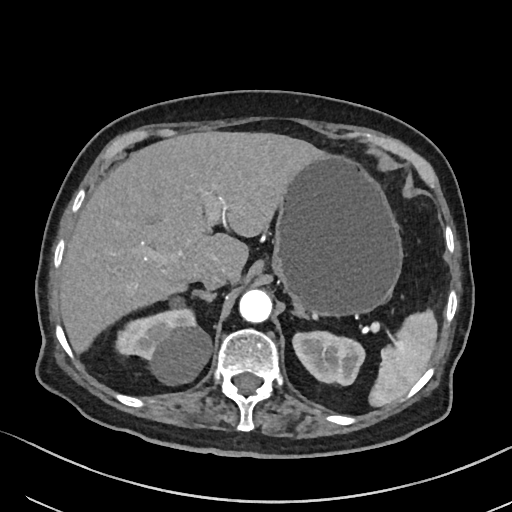
Abdominal CT; axial view; 512x512 px
One row per box, in pixels: columns x1 and y1 give the top-left corner, x2 and y2 the bottom-right.
| organ | x1 | y1 | x2 | y2 |
|---|---|---|---|---|
| spleen | 368 | 310 | 436 | 407 |
| right adrenal gland | 192 | 290 | 216 | 301 |
| liver | 60 | 132 | 326 | 354 |
| left adrenal gland | 295 | 309 | 307 | 319 |
| aorta | 239 | 290 | 271 | 323 |
| stomach | 271 | 155 | 403 | 317 |
| right kidney | 115 | 300 | 211 | 383 |
| left kidney | 293 | 332 | 364 | 384 |
| inferior vena cava | 201 | 267 | 229 | 290 |